Computed tomography, abdomen · axial view · W/L 400/40 HU · 512x512 px · Aquilion ONE scanner
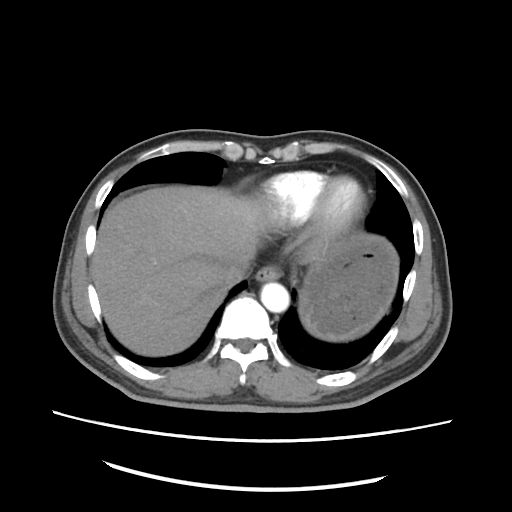

Boxes: x1:y1:x2:y2 in pixels. 5 labeled organs on this slice — esophagus at 254:265:279:281; liver at 91:188:279:356; stomach at 299:233:398:343; aorta at 260:282:289:313; inferior vena cava at 222:259:248:283.